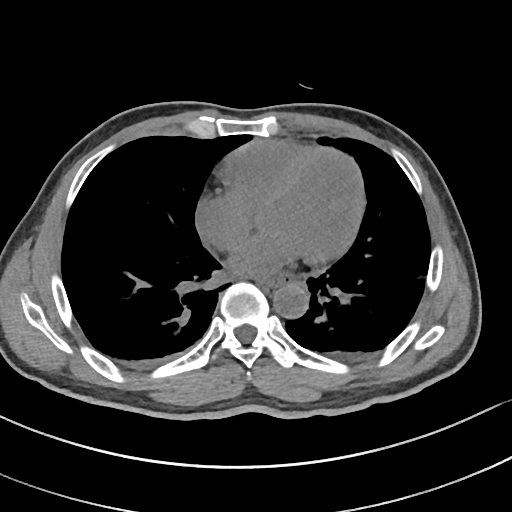
Lower-chest slice from an abdominal CT, just above the liver and spleen. axial view. acquired on SOMATOM Force
No part of the heart or lungs is labeled in this dataset, so neither has a box here.
Boxes are (x1, y1, x2, y2) in pixels.
esophagus: (257, 273, 298, 285)
aorta: (273, 282, 308, 318)